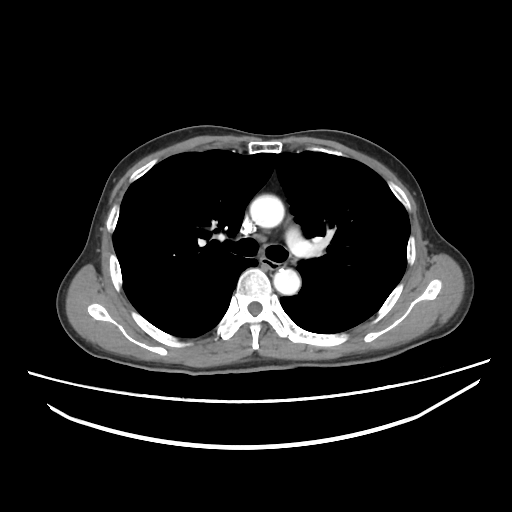 Chest-level CT slice, above the liver and spleen — axial view — W/L 400/40 HU — 512x512 px — scan has 13 labeled organs (that count is for the whole scan; organs this slice misses have no box)
At this level of the chest no structure but the esophagus and the aorta has a label in this dataset, and those two are boxed only where they are labeled.
Bounding boxes as [x1, y1, x2, y2] in pixel coordinates.
esophagus: [259, 259, 284, 270]
aorta: [249, 194, 284, 228]
aorta: [273, 269, 300, 295]